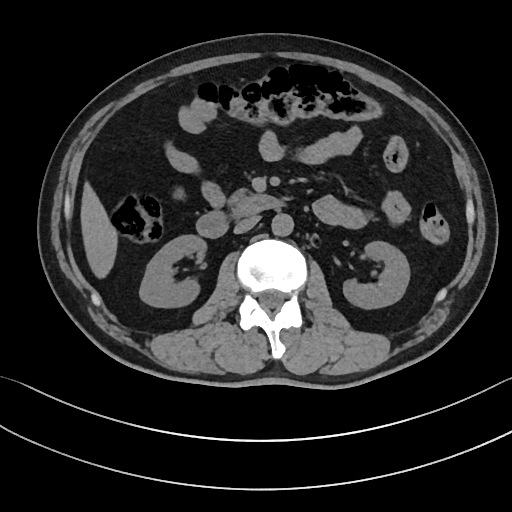
CT, abdomen/pelvis; axial view; acquired on SOMATOM Force
{"organs":{"liver":[80,181,118,277],"right kidney":[139,235,203,307],"duodenum":[196,194,284,237],"aorta":[271,214,293,236],"pancreas":[227,187,252,205],"inferior vena cava":[233,215,259,233],"left kidney":[343,241,409,309]}}